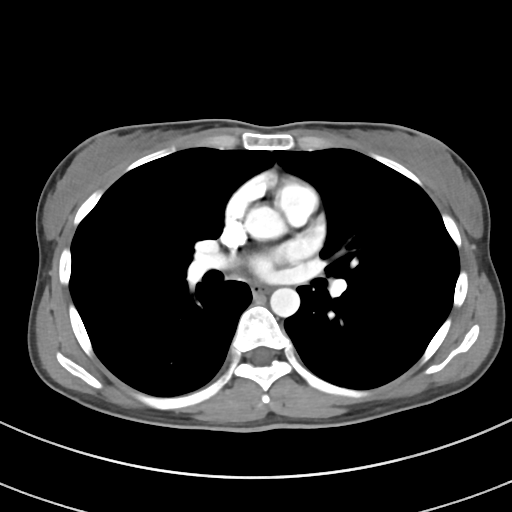 Chest-level CT slice, above the liver and spleen · axial view · W/L 400/40 HU
On a slice this high in the chest, this dataset labels only the esophagus and the aorta, and each is boxed only where it is labeled; the heart, lungs and other chest structures are not labeled. Box edges are left/top/right/bottom in pixels. 2 labeled organs on this slice — esophagus at left=252, top=284, right=268, bottom=295; aorta at left=245, top=205, right=285, bottom=237; aorta at left=270, top=287, right=299, bottom=316.